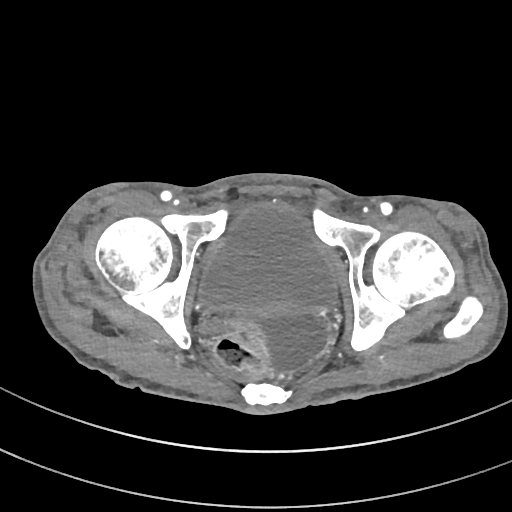 CT abdomen. Axial slice 16/218. scan has 15 labeled organs (that count is for the whole scan; organs this slice misses have no box)
Boxes: x1 y1 x2 y2 (pixel coords, space-separated).
Organ bounding boxes:
- bladder: 198 202 337 310